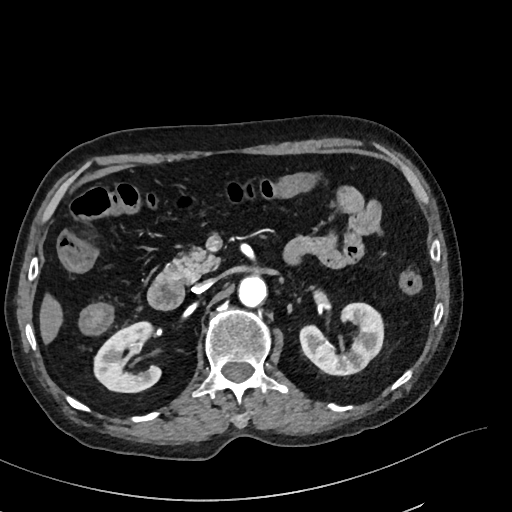

Abdominal CT. axial view. abdomen soft-tissue window
Box edges are left/top/right/bottom in pixels.
right kidney: left=94, top=321, right=160, bottom=392
left kidney: left=300, top=303, right=383, bottom=375
liver: left=39, top=293, right=62, bottom=344
aorta: left=238, top=276, right=266, bottom=306
inferior vena cava: left=193, top=279, right=213, bottom=293
pancreas: left=155, top=248, right=219, bottom=284
duodenum: left=147, top=281, right=184, bottom=310